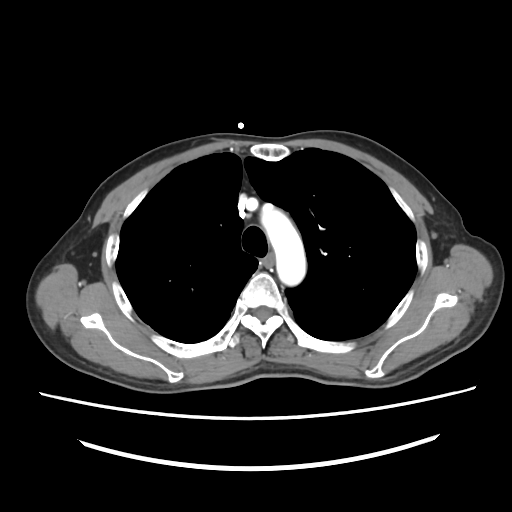
Chest-level slice from an abdominal CT that extends up into the chest — axial view — 512x512 px — Aquilion ONE scanner
On a slice this high in the chest, this dataset labels only the esophagus and the aorta, and each is boxed only where it is labeled; the heart, lungs and other chest structures are not labeled.
<organs><organ name="esophagus" x1="263" y1="255" x2="273" y2="265"/><organ name="aorta" x1="261" y1="207" x2="305" y2="285"/></organs>